Computed tomography, abdomen — axial view — soft-tissue window
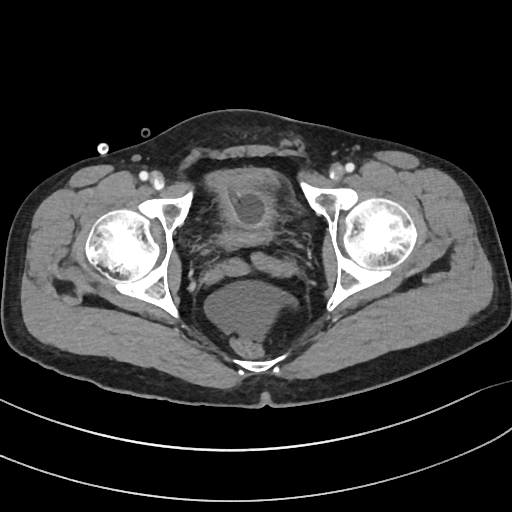 Each box given as x1,y1,x2,y2.
bladder: x1=206, y1=167, x2=279, y2=247